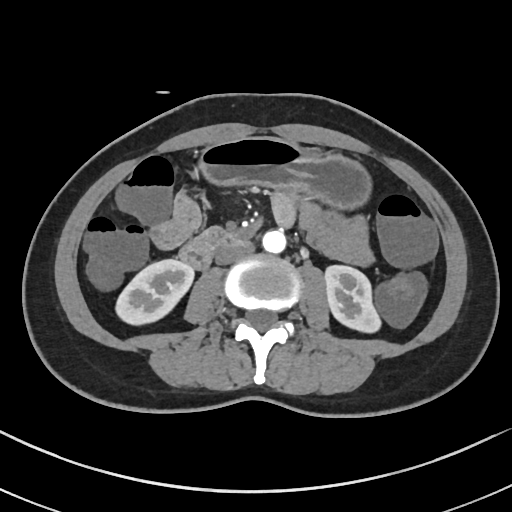

CT, abdomen/pelvis; axial plane, index 142; soft-tissue window (W 400 / L 40); 512x512 px; acquired on SOMATOM Force
Boxes: x1 y1 x2 y2 (pixel coords, space-separated).
right kidney: 116 259 195 324
left kidney: 324 264 382 334
stomach: 197 137 373 210
aorta: 262 229 286 253
inferior vena cava: 216 242 254 264
duodenum: 179 228 246 270